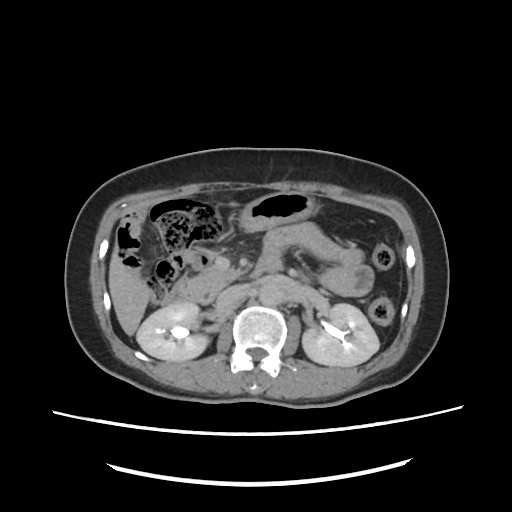 CT abdomen · axial view · W/L 400/40 HU · 512x512 px
Boxes are (x1, y1, x2, y2) in pixels.
Organ bounding boxes:
- right kidney: (136, 305, 208, 362)
- left kidney: (303, 303, 378, 366)
- liver: (107, 259, 150, 335)
- stomach: (237, 190, 319, 231)
- aorta: (258, 280, 282, 306)
- inferior vena cava: (216, 286, 246, 306)
- pancreas: (190, 267, 242, 303)
- duodenum: (165, 250, 281, 304)